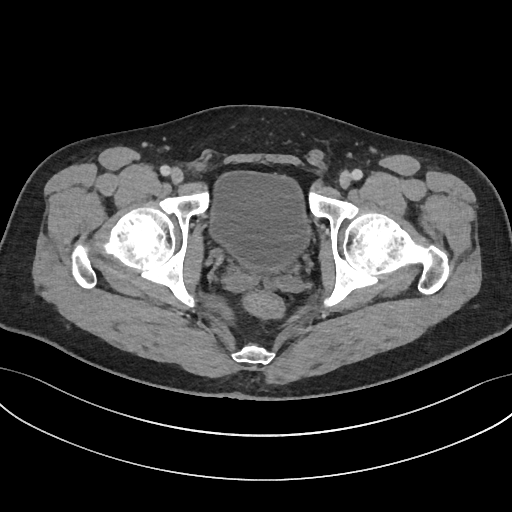
Abdominal CT · axial view · acquired on SOMATOM Force · 15 organs annotated in this scan (that count is for the whole scan; organs this slice misses have no box)
One row per box, in pixels: columns x1 and y1 give the top-left corner, x2 and y2 the bottom-right.
| organ | x1 | y1 | x2 | y2 |
|---|---|---|---|---|
| bladder | 208 | 171 | 310 | 272 |